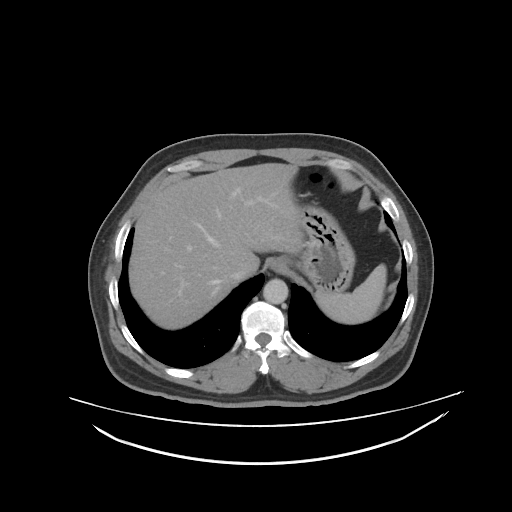
Abdominal CT; axial plane, index 83; 512x512 px; Aquilion ONE scanner
One row per box, in pixels: columns x1 and y1 give the top-left corner, x2 and y2 the bottom-right.
| organ | x1 | y1 | x2 | y2 |
|---|---|---|---|---|
| spleen | 315 | 263 | 386 | 323 |
| esophagus | 267 | 256 | 288 | 273 |
| liver | 129 | 164 | 302 | 329 |
| stomach | 296 | 200 | 355 | 291 |
| aorta | 263 | 278 | 288 | 304 |
| inferior vena cava | 231 | 263 | 245 | 280 |